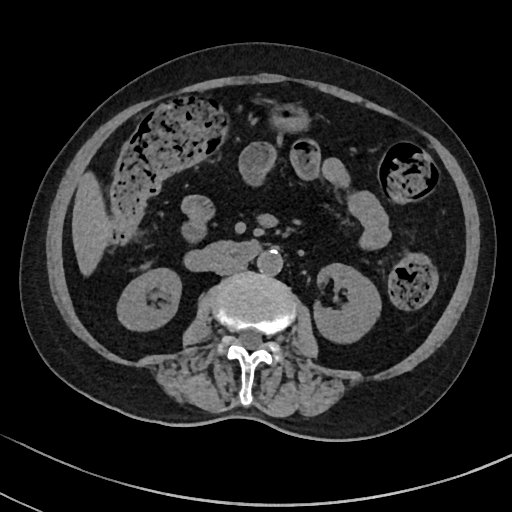

CT, abdomen/pelvis; axial view; 512x512 px
{"organs":{"right kidney":[118,269,180,328],"left kidney":[314,263,379,344],"liver":[72,175,109,272],"stomach":[275,109,304,129],"aorta":[257,249,282,275],"inferior vena cava":[215,262,245,275],"duodenum":[184,240,261,270]}}